CT abdomen. axial view. 768x768 px
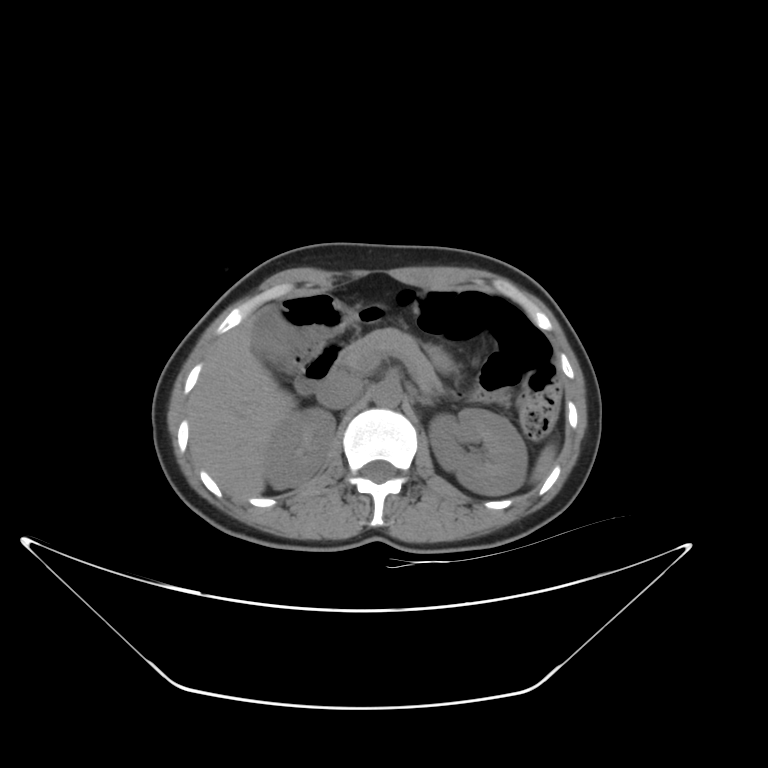
Bounding boxes in pixels, one row per box: x1, y1 is the top-left corner and x2, y2 the bottom-right.
| organ | x1 | y1 | x2 | y2 |
|---|---|---|---|---|
| spleen | 533 | 446 | 555 | 482 |
| right kidney | 264 | 408 | 335 | 489 |
| left kidney | 428 | 408 | 527 | 495 |
| gall bladder | 252 | 310 | 287 | 360 |
| liver | 188 | 317 | 296 | 500 |
| stomach | 427 | 346 | 452 | 369 |
| aorta | 373 | 381 | 401 | 407 |
| inferior vena cava | 316 | 375 | 362 | 408 |
| pancreas | 341 | 327 | 441 | 392 |
| left adrenal gland | 416 | 396 | 432 | 404 |
| duodenum | 295 | 341 | 345 | 394 |